CT abdomen — axial view — acquired on SOMATOM Force
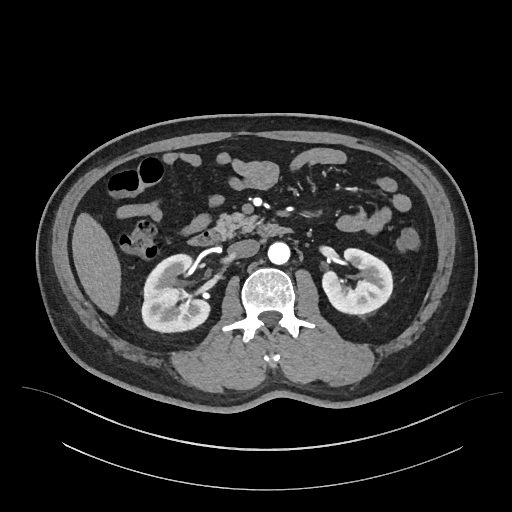

<organs><organ name="pancreas" x1="217" y1="213" x2="257" y2="238"/><organ name="right kidney" x1="142" y1="254" x2="208" y2="331"/><organ name="duodenum" x1="189" y1="224" x2="289" y2="245"/><organ name="left kidney" x1="321" y1="249" x2="392" y2="313"/><organ name="liver" x1="72" y1="214" x2="119" y2="314"/><organ name="aorta" x1="268" y1="241" x2="290" y2="263"/><organ name="inferior vena cava" x1="229" y1="239" x2="259" y2="258"/></organs>